Computed tomography, abdomen; axial view; 512x512 px
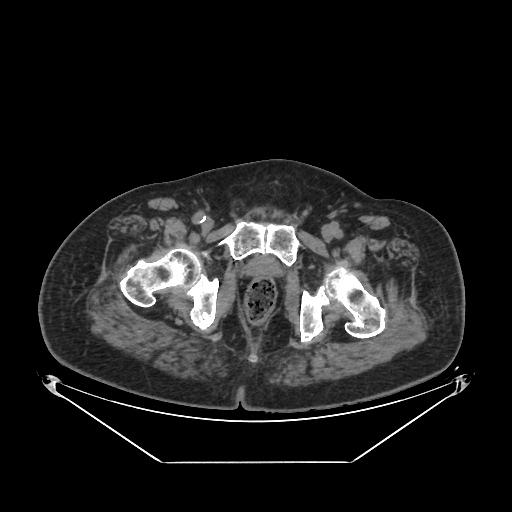 <organs><organ name="prostate/uterus" x1="247" y1="256" x2="278" y2="273"/></organs>